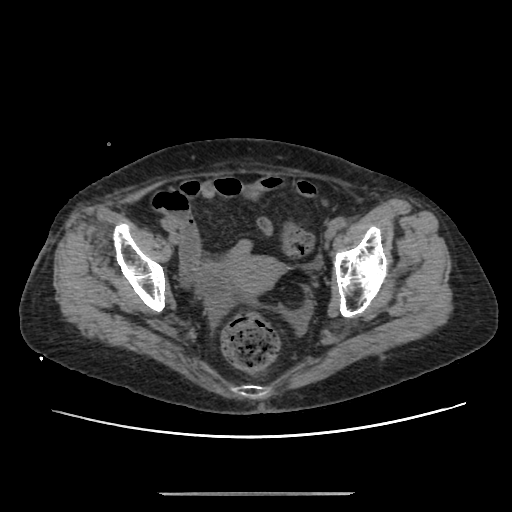 Computed tomography, abdomen — axial view — acquired on SOMATOM Force
Boxes: x1:y1:x2:y2 in pixels.
Organ bounding boxes:
- prostate/uterus: 228:255:283:293